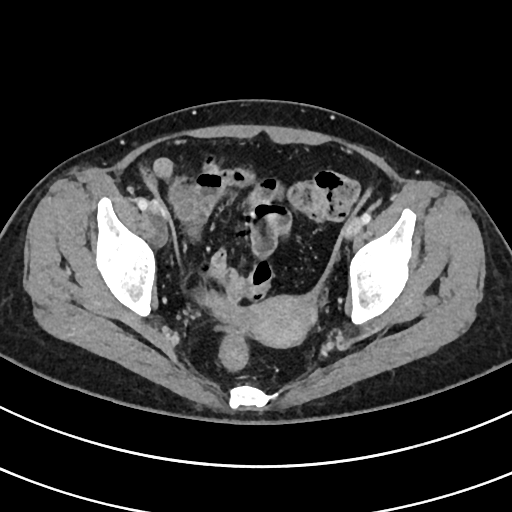
CT abdomen. Axial slice 34/192
Boxes: x1:y1:x2:y2 in pixels.
prostate/uterus: 236:296:316:347